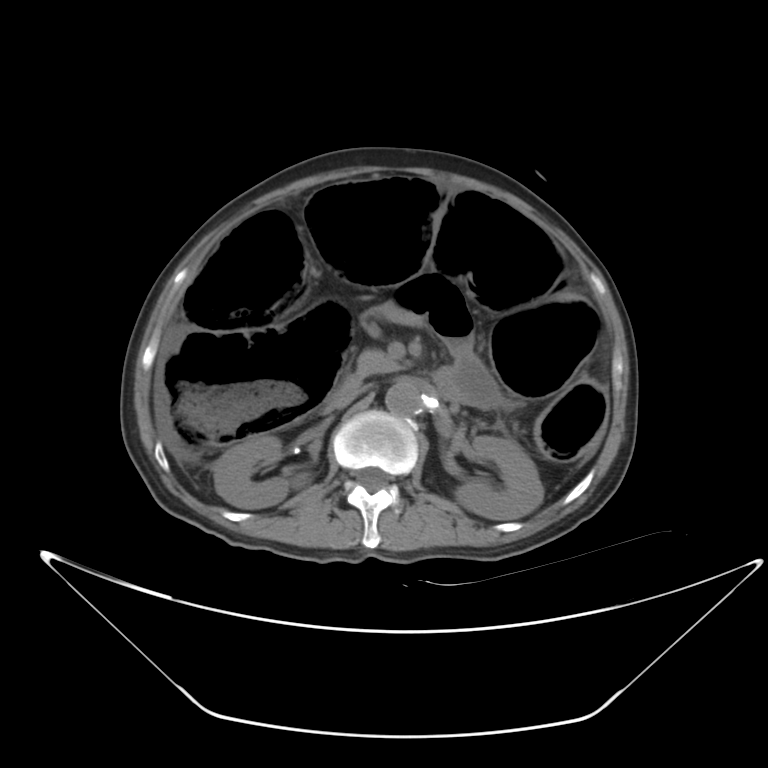
Abdominal CT; Axial slice 58/95; Brilliance16 scanner; 15 organs annotated in this scan (counted over the whole 3D scan, not this slice; an organ is boxed only where this slice passes through it)
Boxes: x1 y1 x2 y2 (pixel coords, space-separated). Labeled organs on this slice: right kidney at 214 435 311 508, left kidney at 455 436 543 519, aorta at 385 380 421 415, inferior vena cava at 328 385 364 410, pancreas at 357 350 398 375, duodenum at 339 372 363 389.